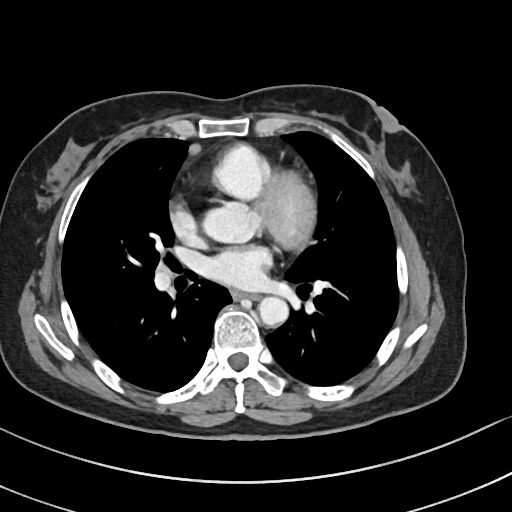
Lower-chest slice from an abdominal CT, just above the liver and spleen · axial view · W/L 400/40 HU · 512x512 px · scan has 14 labeled organs (that count is for the whole scan; organs this slice misses have no box)
The heart and lungs are never labeled in this dataset, so they have no box on this slice.
<organs><organ name="esophagus" x1="233" y1="291" x2="258" y2="299"/><organ name="aorta" x1="258" y1="296" x2="287" y2="325"/></organs>